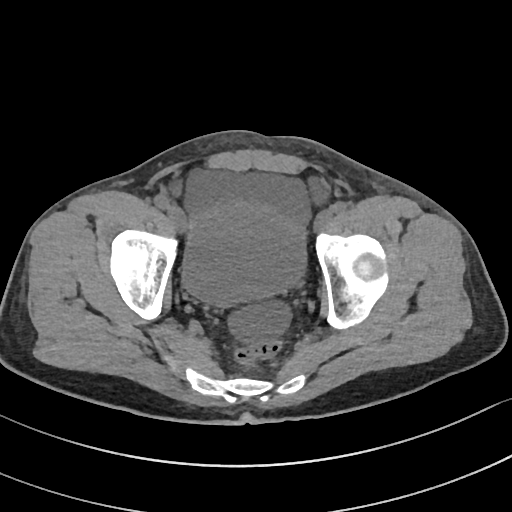 CT, abdomen/pelvis · axial view · scan has 15 labeled organs (that count is for the whole scan; organs this slice misses have no box)
<organs><organ name="bladder" x1="182" y1="195" x2="308" y2="307"/></organs>